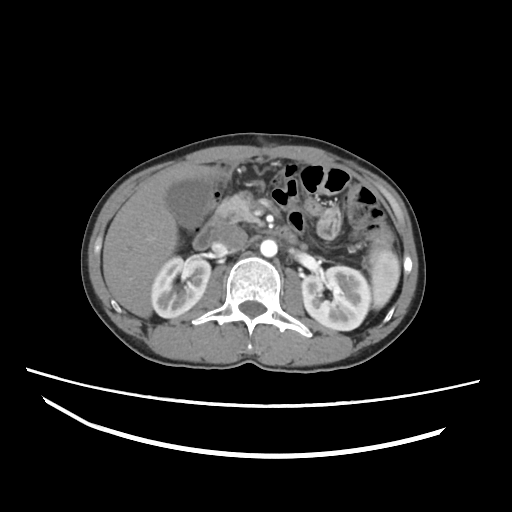

CT abdomen · axial view · soft-tissue window
Boxes are (x1, y1, x2, y2) in pixels. The annotated organs in this slice are: spleen at (370, 249, 400, 309), right kidney at (151, 256, 210, 318), left kidney at (301, 266, 370, 330), gall bladder at (166, 179, 212, 228), liver at (102, 162, 217, 318), aorta at (260, 239, 277, 257), inferior vena cava at (215, 225, 247, 252), pancreas at (212, 193, 262, 226), duodenum at (193, 219, 296, 250).